Chest-level slice from an abdominal CT that extends up into the chest · Axial slice 237/306 · 512x512 px
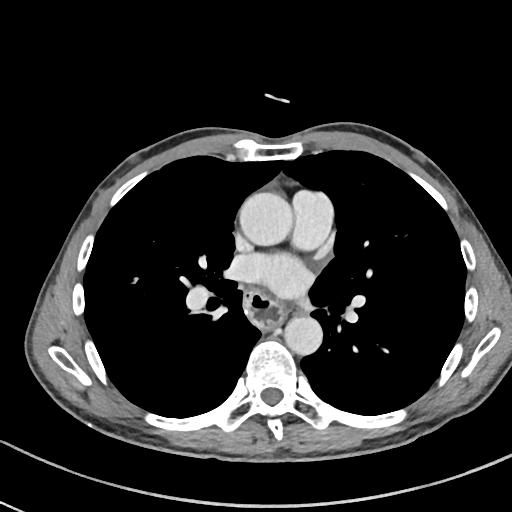

On a slice this high in the chest, this dataset labels only the esophagus and the aorta, and each is boxed only where it is labeled; the heart, lungs and other chest structures are not labeled.
One row per box, in pixels: columns x1 and y1 give the top-left corner, x2 and y2 the bottom-right.
| organ | x1 | y1 | x2 | y2 |
|---|---|---|---|---|
| esophagus | 243 | 288 | 284 | 329 |
| aorta | 239 | 192 | 292 | 245 |
| aorta | 284 | 317 | 322 | 355 |